CT abdomen. axial view
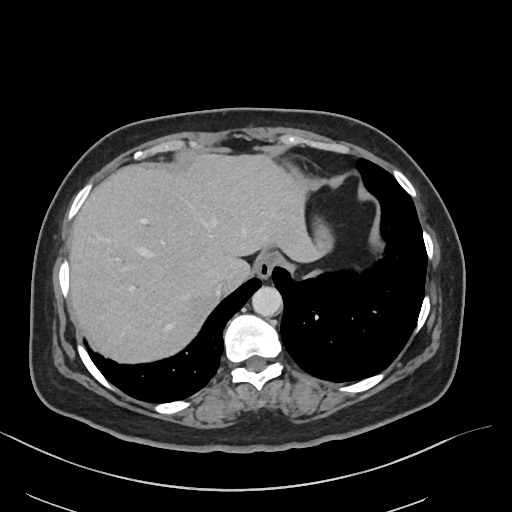
{"organs":{"esophagus":[255,251,280,277],"liver":[69,152,317,364],"stomach":[300,180,332,257],"aorta":[252,286,282,317],"inferior vena cava":[214,277,226,296]}}